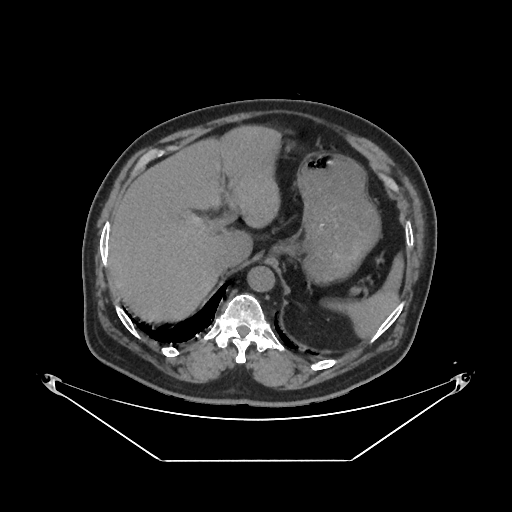 CT abdomen — axial view — soft-tissue window — 512x512 px
Boxes: x1 y1 x2 y2 (pixel coords, space-separated).
Organ bounding boxes:
- spleen: 332 257 403 336
- liver: 107 125 281 324
- stomach: 295 152 380 283
- aorta: 247 265 273 291
- inferior vena cava: 211 252 235 272